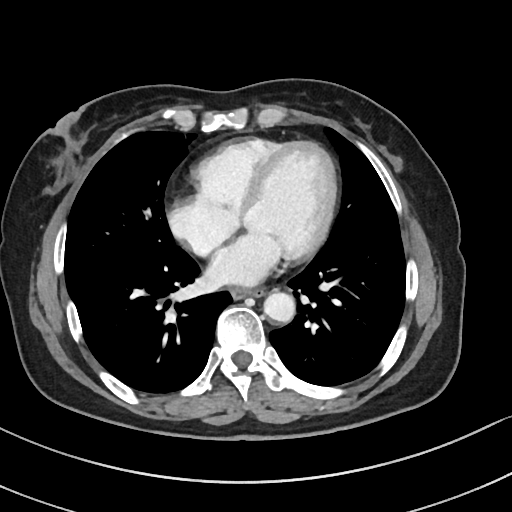

Lower-chest slice from an abdominal CT, just above the liver and spleen. Axial slice 234/314. scan has 14 labeled organs (a whole-scan count: organs this slice does not pass through have no box)
No part of the heart or lungs is labeled in this dataset, so neither has a box here.
Each box given as x1,y1,x2,y2.
Organ bounding boxes:
- esophagus: x1=231, y1=287, x2=266, y2=298
- aorta: x1=263, y1=292, x2=295, y2=322